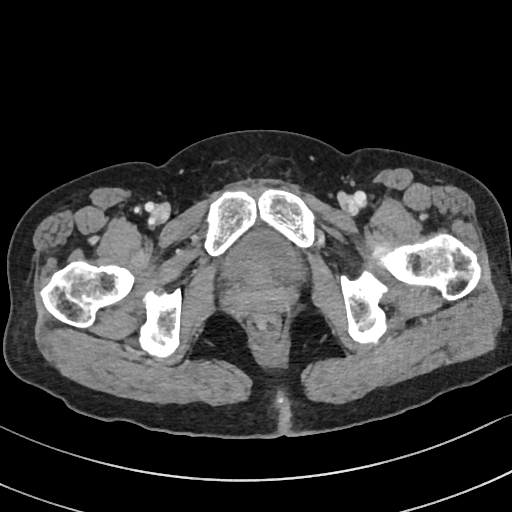
Abdominal CT. Axial slice 22/314. soft-tissue window
Coordinates as <box>x1,y1,x2,y2</box> in pixels. Labeled organs on this slice: bladder at <box>223,230,302,278</box>.